CT abdomen; axial plane, index 210; abdomen soft-tissue window
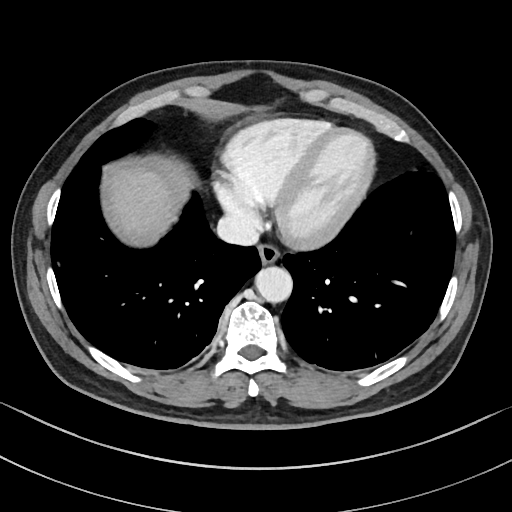
Bounding boxes as [x1, y1, x2, y2] in pixel coordinates.
esophagus: [258, 244, 280, 264]
liver: [112, 168, 174, 238]
aorta: [255, 266, 292, 302]
inferior vena cava: [216, 213, 259, 245]